CT, abdomen/pelvis. axial view. 512x512 px. 61-year-old female patient. scan has 15 labeled organs (a whole-scan count: organs this slice does not pass through have no box)
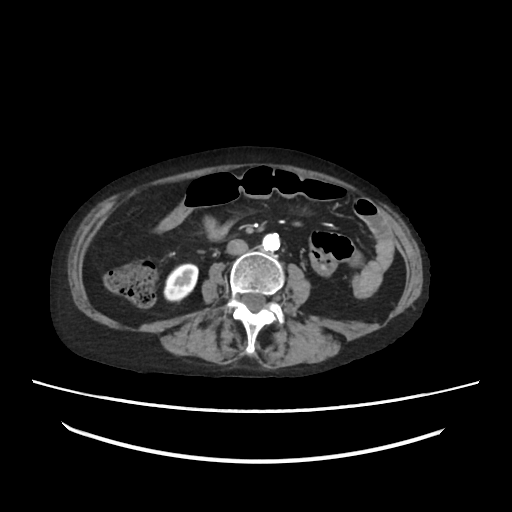

Boxes: x1:y1:x2:y2 in pixels.
right kidney: 165:263:198:299
aorta: 262:234:279:251
inferior vena cava: 226:240:248:254